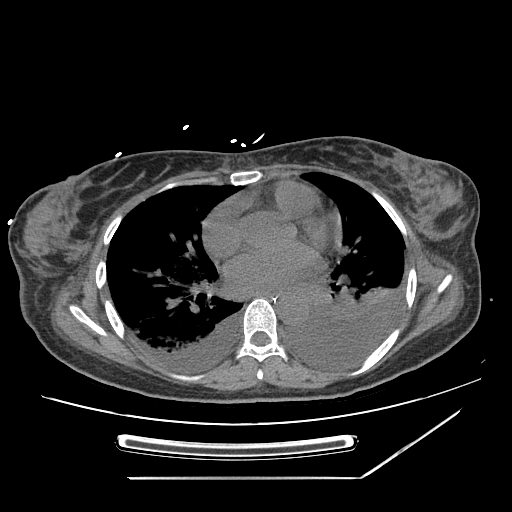 Lower-chest slice from an abdominal CT, just above the liver and spleen. Axial slice 189/191. W/L 400/40 HU
The heart and lungs are never labeled in this dataset, so they have no box on this slice.
<organs><organ name="esophagus" x1="265" y1="292" x2="282" y2="303"/><organ name="aorta" x1="278" y1="291" x2="307" y2="323"/></organs>